Computed tomography, abdomen — axial view — 768x768 px — acquired on Brilliance16
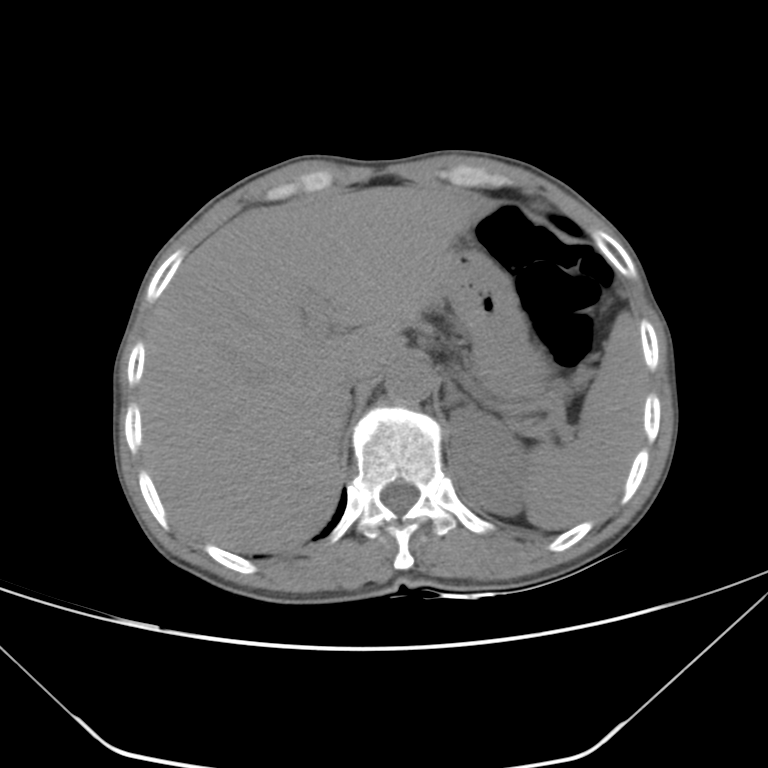

Box edges are left/top/right/bottom in pixels.
spleen: left=525, top=312, right=646, bottom=529
liver: left=139, top=186, right=482, bottom=554
inferior vena cava: left=344, top=355, right=383, bottom=386
aorta: left=386, top=355, right=433, bottom=403
left kidney: left=448, top=407, right=529, bottom=515
stomach: left=446, top=243, right=549, bottom=400
left adrenal gland: left=444, top=382, right=475, bottom=408